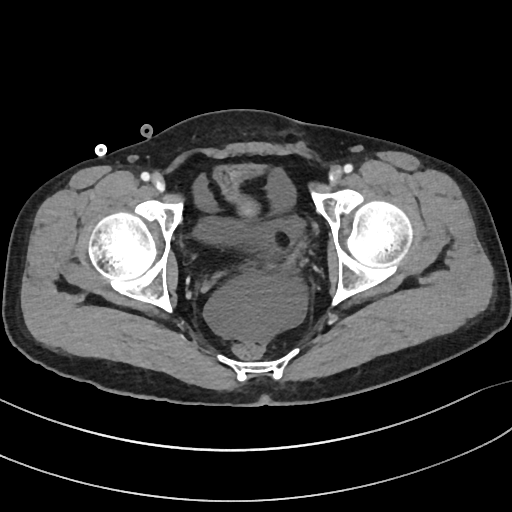

Abdominal CT · axial view · 512x512 px · SOMATOM Force scanner
Coordinates as <box>x1,y1,x2,y2</box> in pixels. Labeled organs on this slice: bladder at <box>215,163,261,218</box>.